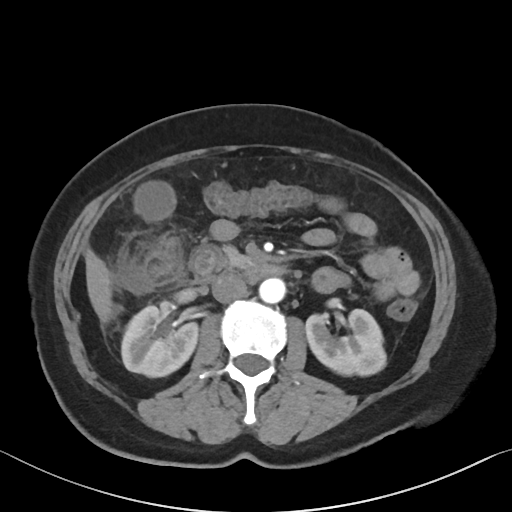 CT abdomen. axial plane, index 51
Each box given as x1,y1,x2,y2.
duodenum: x1=190, y1=245, x2=285, y2=284
pancreas: x1=225, y1=246, x2=251, y2=266
gall bladder: x1=134, y1=184, x2=174, y2=220
right kidney: x1=121, y1=306, x2=198, y2=377
left kidney: x1=305, y1=309, x2=385, y2=376
liver: x1=84, y1=248, x2=112, y2=323
inferior vena cava: x1=212, y1=274, x2=247, y2=303
aorta: x1=259, y1=278, x2=285, y2=303